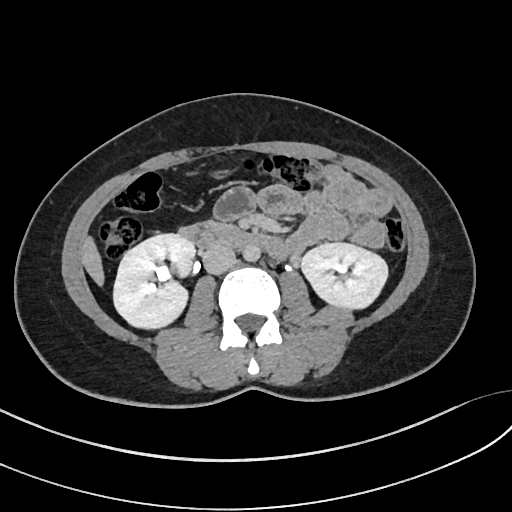
Computed tomography, abdomen. axial view. abdomen soft-tissue window. SOMATOM Force scanner
Boxes: x1 y1 x2 y2 (pixel coords, space-separated).
Organ bounding boxes:
- duodenum: 177 224 295 259
- inferior vena cava: 202 245 235 274
- right kidney: 114 235 194 330
- left kidney: 301 243 388 310
- liver: 81 235 104 288
- aorta: 243 246 260 262
- pancreas: 200 223 234 232